CT, abdomen/pelvis; axial view; 45-year-old male patient
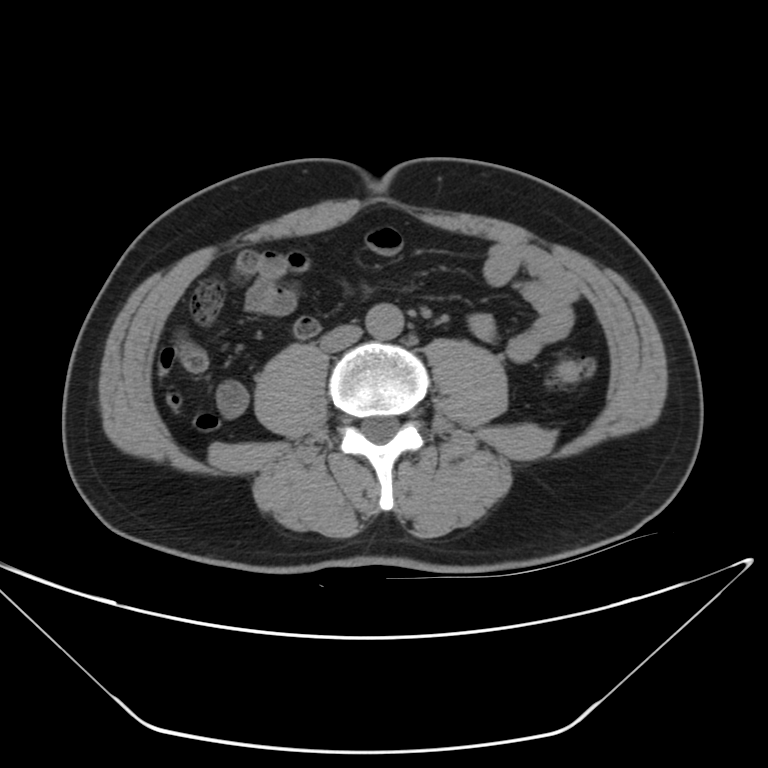 Coordinates as <box>x1,y1,x2,y2</box> in pixels.
Organ bounding boxes:
- aorta: <box>368,302,406,340</box>
- inferior vena cava: <box>320,323,363,351</box>